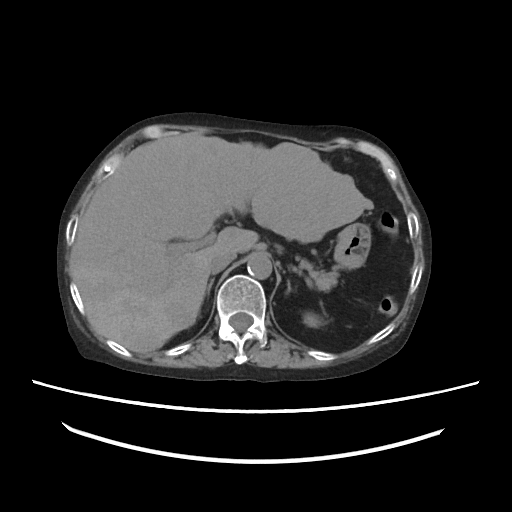
CT, abdomen/pelvis — axial view — 512x512 px
{"organs":{"left kidney":[303,312,322,327],"liver":[70,133,373,353],"stomach":[334,223,370,268],"aorta":[247,253,271,278],"inferior vena cava":[209,250,236,273],"pancreas":[298,258,339,290],"right adrenal gland":[206,278,213,295],"left adrenal gland":[286,281,291,293]}}